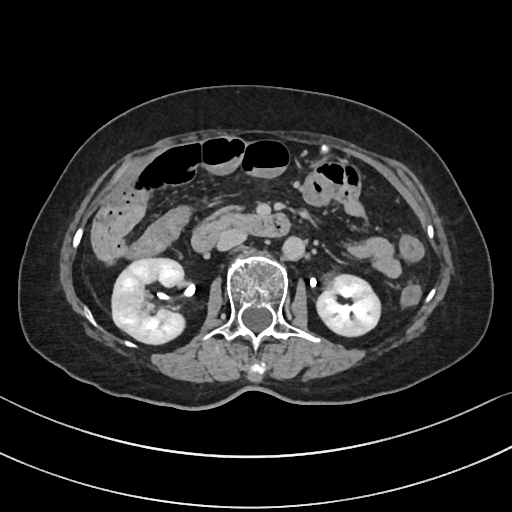
CT, abdomen/pelvis. axial plane, index 132. soft-tissue window (W 400 / L 40). acquired on SOMATOM Force
{"organs":{"aorta":[280,238,303,260],"stomach":[321,147,329,154],"left kidney":[316,273,381,337],"duodenum":[190,211,291,252],"inferior vena cava":[216,227,246,251],"right kidney":[111,258,184,345]}}